CT, abdomen/pelvis — axial view — soft-tissue window (W 400 / L 40)
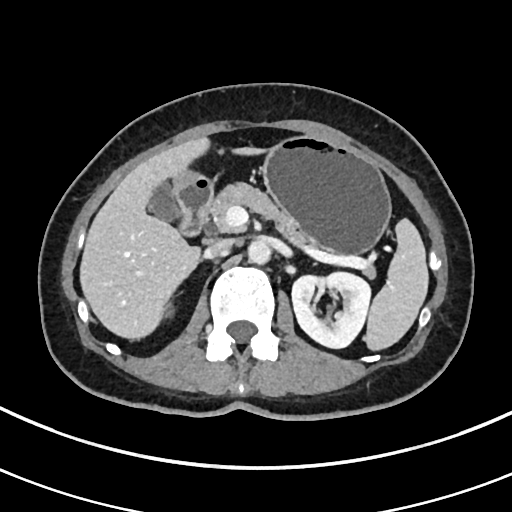 One row per box, in pixels: columns x1 and y1 give the top-left corner, x2 and y2 the bottom-right.
| organ | x1 | y1 | x2 | y2 |
|---|---|---|---|---|
| spleen | 363 | 219 | 429 | 351 |
| left kidney | 291 | 271 | 369 | 348 |
| gall bladder | 147 | 183 | 181 | 223 |
| liver | 78 | 136 | 274 | 340 |
| stomach | 175 | 136 | 391 | 257 |
| aorta | 247 | 239 | 271 | 265 |
| inferior vena cava | 206 | 240 | 230 | 257 |
| pancreas | 211 | 183 | 304 | 242 |
| duodenum | 176 | 175 | 213 | 234 |